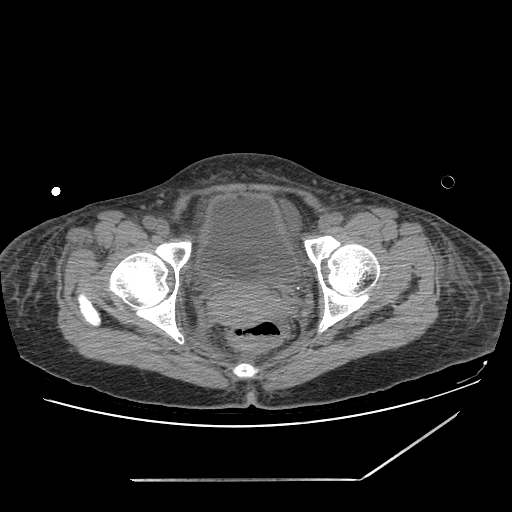
CT abdomen — axial view — W/L 400/40 HU — 512x512 px — scan has 15 labeled organs (counted over the whole 3D scan, not this slice; an organ is boxed only where this slice passes through it)
Boxes are (x1, y1, x2, y2) in pixels. Labeled organs on this slice: prostate/uterus at (211, 284, 281, 324), bladder at (194, 193, 299, 284).